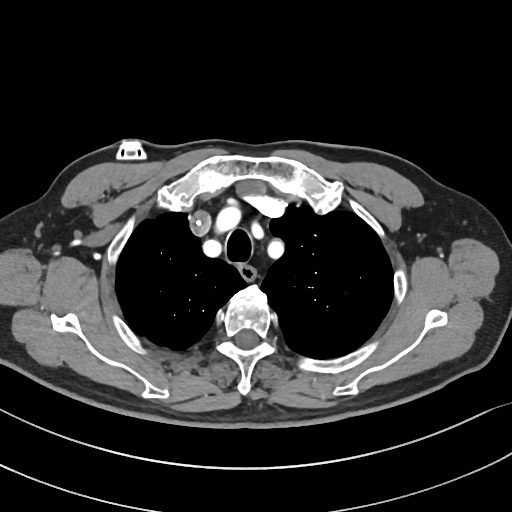 Chest-level slice from an abdominal CT that extends up into the chest; axial view; 512x512 px
At this level of the chest no structure but the esophagus and the aorta has a label in this dataset, and those two are boxed only where they are labeled.
<organs><organ name="esophagus" x1="239" y1="263" x2="255" y2="278"/></organs>